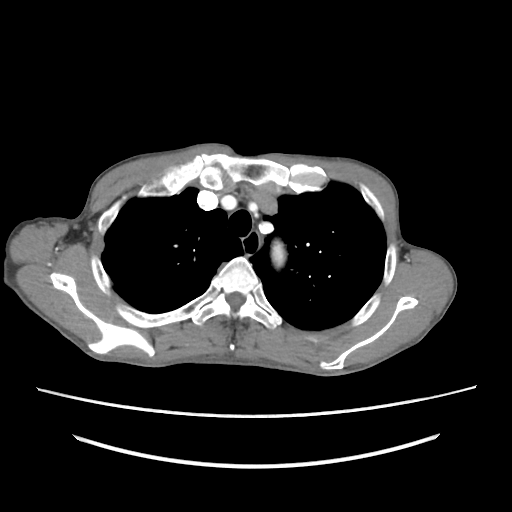

Chest-level CT slice, above the liver and spleen. axial view. soft-tissue window (W 400 / L 40). 62-year-old male patient
At this level of the chest no structure but the esophagus and the aorta has a label in this dataset, and those two are boxed only where they are labeled.
Bounding boxes in pixels, one row per box: x1, y1 is the top-left corner and x2, y2 the bottom-right.
| organ | x1 | y1 | x2 | y2 |
|---|---|---|---|---|
| esophagus | 243 | 230 | 260 | 254 |
| aorta | 272 | 245 | 284 | 263 |